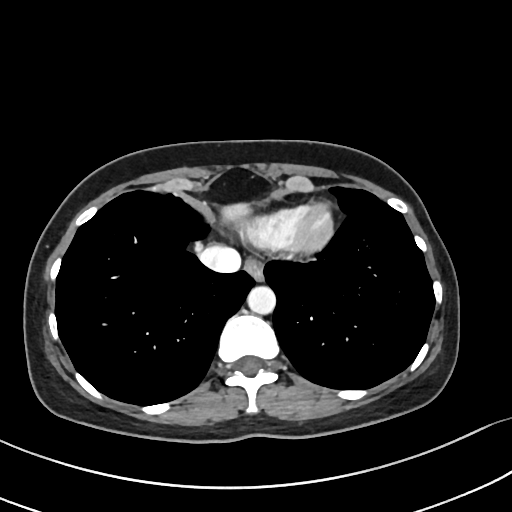
Abdominal CT. axial view. 512x512 px. acquired on SOMATOM Force
<organs><organ name="liver" x1="222" y1="203" x2="250" y2="220"/><organ name="inferior vena cava" x1="199" y1="245" x2="241" y2="273"/><organ name="esophagus" x1="244" y1="261" x2="264" y2="281"/><organ name="aorta" x1="247" y1="286" x2="276" y2="314"/></organs>